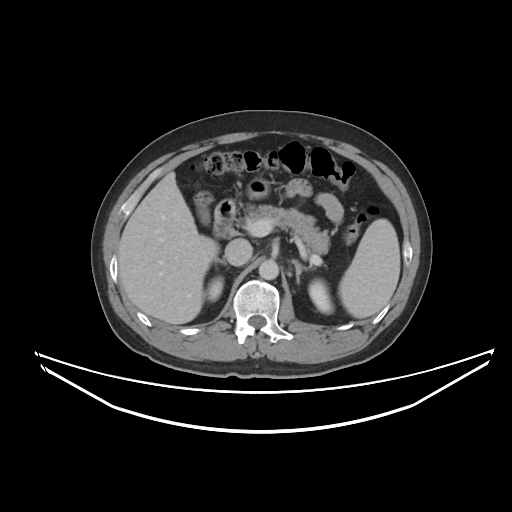
Computed tomography, abdomen — Axial slice 68/131 — soft-tissue window (W 400 / L 40) — 512x512 px
Boxes: x1:y1:x2:y2 in pixels.
Organ bounding boxes:
- gall bladder: 198:205:209:224
- liver: 118:172:219:324
- right adrenal gland: 216:259:227:265
- inferior vena cava: 225:238:252:265
- spleen: 338:218:400:318
- left kidney: 308:279:333:313
- stomach: 247:178:269:198
- right kidney: 206:276:223:302
- pancreas: 242:205:329:254
- duodenum: 213:199:237:237
- left adrenal gland: 291:260:311:283
- aorta: 259:259:278:279